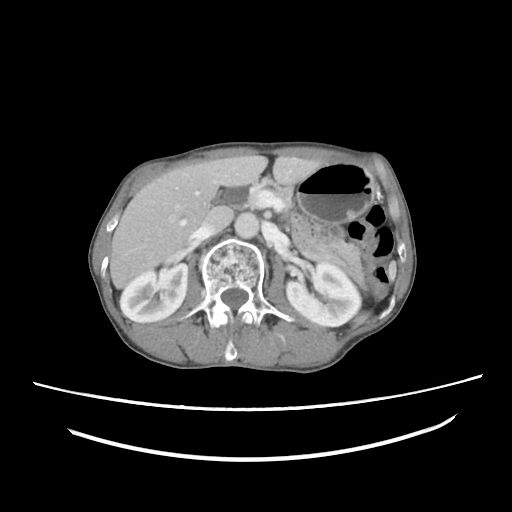
CT, abdomen/pelvis; axial view; 59-year-old male patient
{"organs":{"stomach":[296,162,375,227],"right kidney":[120,263,188,322],"pancreas":[247,178,366,287],"left kidney":[286,261,361,326],"inferior vena cava":[200,206,233,234],"aorta":[234,212,259,238],"liver":[110,155,323,288],"spleen":[354,262,395,325]}}